CT, abdomen/pelvis. axial plane, index 58. 768x768 px
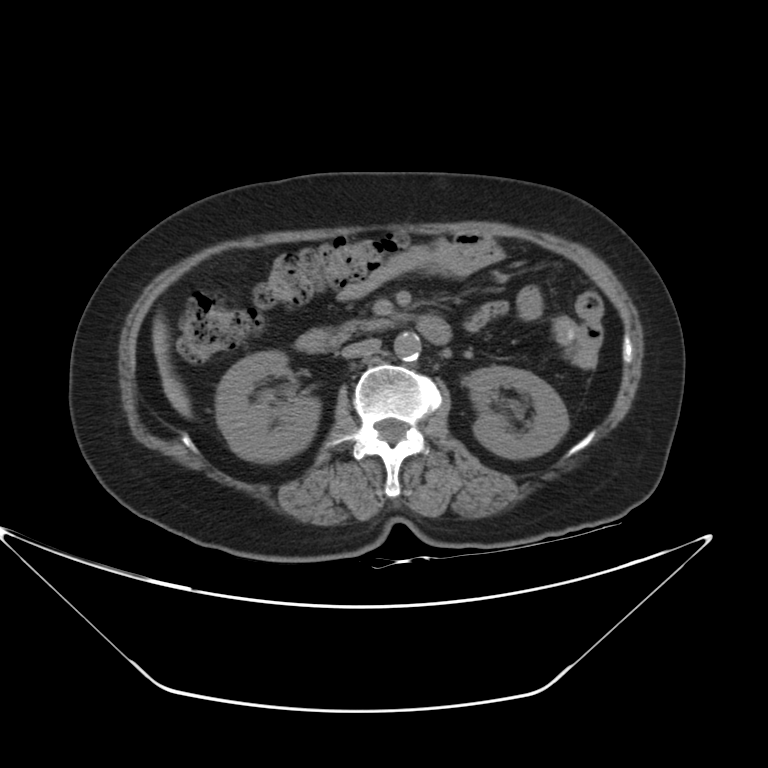
Coordinates as <box>x1,y1,x2,y2</box> in pixels.
Organ bounding boxes:
- right kidney: <box>216,350,320,461</box>
- left kidney: <box>468,365,568,458</box>
- liver: <box>152,317,190,417</box>
- aorta: <box>393,331,421,360</box>
- inferior vena cava: <box>341,338,380,357</box>
- pancreas: <box>334,318,391,341</box>
- duodenum: <box>295,315,452,352</box>